Abdominal MRI · coronal acquisition · 1st–99th percentile window · 260x320 px · Prisma scanner
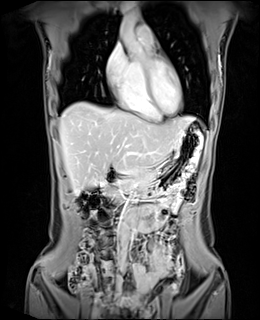

{"organs":{"gall bladder":[86,187,94,191],"liver":[59,102,194,193],"stomach":[137,124,203,189],"aorta":[120,12,137,37],"pancreas":[103,165,155,199],"duodenum":[97,168,123,207]}}